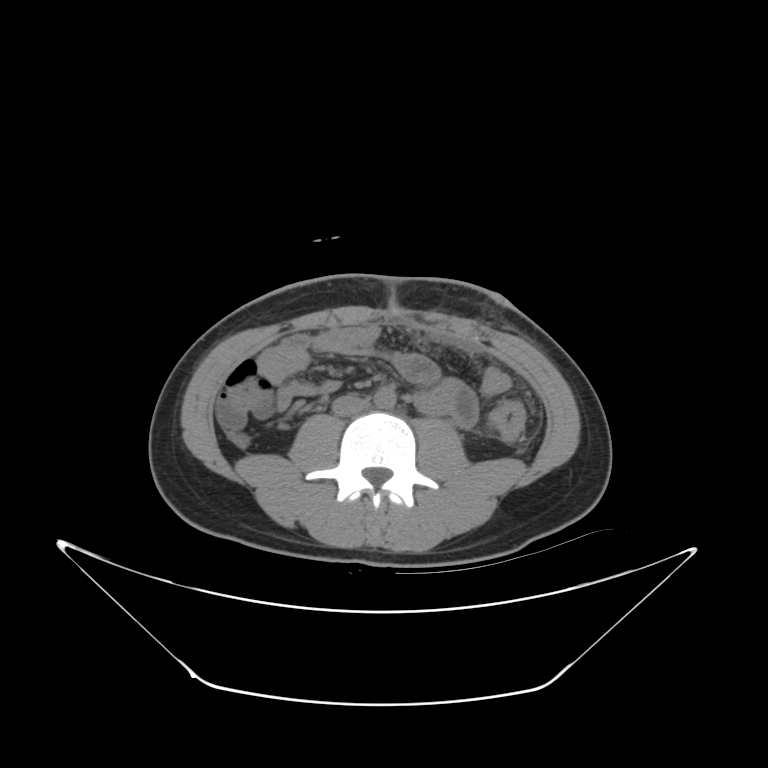
CT abdomen. Axial slice 56/102. soft-tissue window. 768x768 px
Box edges are left/top/right/bottom in pixels.
aorta: left=371, top=387, right=392, bottom=408
inferior vena cava: left=330, top=396, right=365, bottom=416